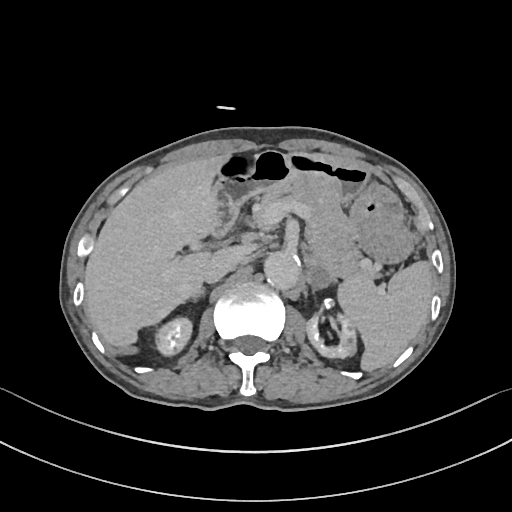
CT abdomen · Axial slice 156/204 · soft-tissue window (W 400 / L 40)
Coordinates as <box>x1,y1,x2,y2</box> in pixels.
left adrenal gland: <box>310,265,329,286</box>
stomach: <box>213,150,415,263</box>
liver: <box>84,154,323,347</box>
spleen: <box>337,261,433,371</box>
left kidney: <box>306,315,356,358</box>
right kidney: <box>155,317,192,355</box>
aorta: <box>264,251,300,290</box>
inferior vena cava: <box>202,248,240,283</box>
right adrenal gland: <box>192,289,205,301</box>
duodenum: <box>209,188,251,236</box>
pancreas: <box>259,185,379,279</box>